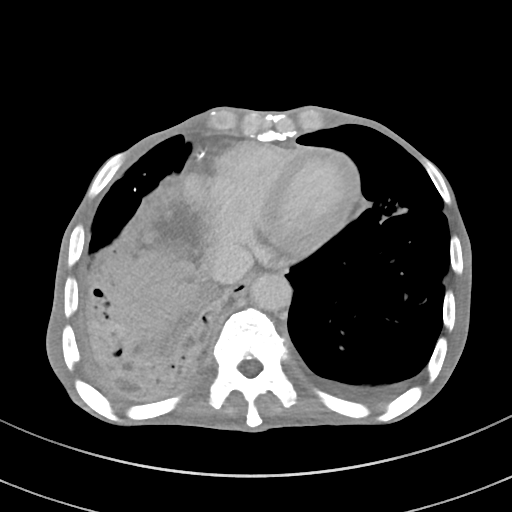
Abdominal CT — Axial slice 85/92
One row per box, in pixels: columns x1 and y1 give the top-left corner, x2 and y2 the bottom-right.
| organ | x1 | y1 | x2 | y2 |
|---|---|---|---|---|
| liver | 113 | 252 | 196 | 343 |
| esophagus | 227 | 276 | 253 | 297 |
| aorta | 249 | 273 | 291 | 311 |
| inferior vena cava | 207 | 242 | 253 | 284 |